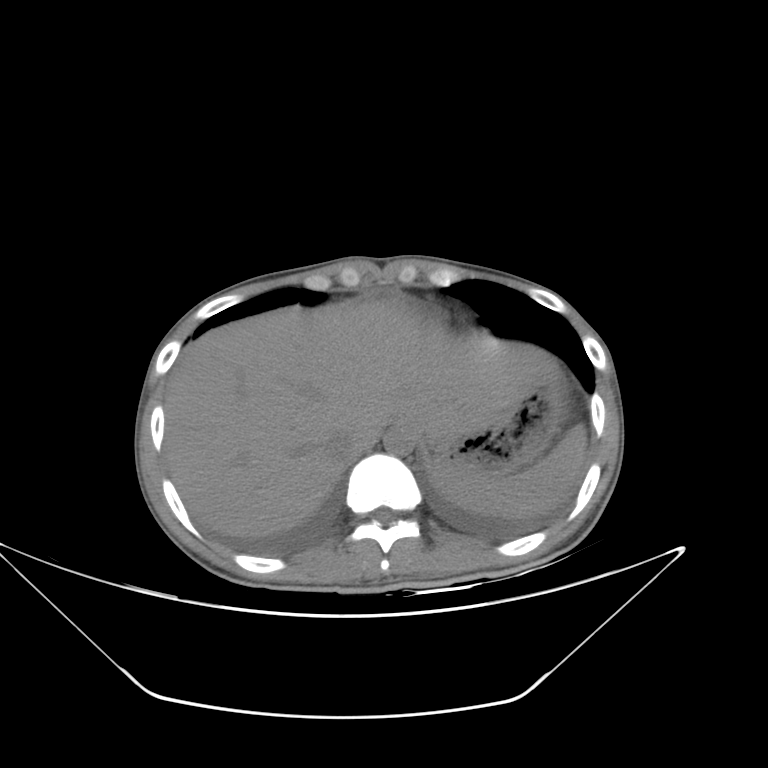

Computed tomography, abdomen; axial view; soft-tissue window; 768x768 px; Brilliance16 scanner
Box edges are left/top/right/bottom in pixels.
Organ bounding boxes:
- spleen: left=432, top=424, right=586, bottom=518
- esophagus: left=392, top=425, right=421, bottom=434
- liver: left=165, top=301, right=557, bottom=538
- stomach: left=415, top=382, right=563, bottom=474
- aorta: left=384, top=428, right=413, bottom=455
- inferior vena cava: left=325, top=428, right=362, bottom=460